CT abdomen. Axial slice 210/345. 512x512 px
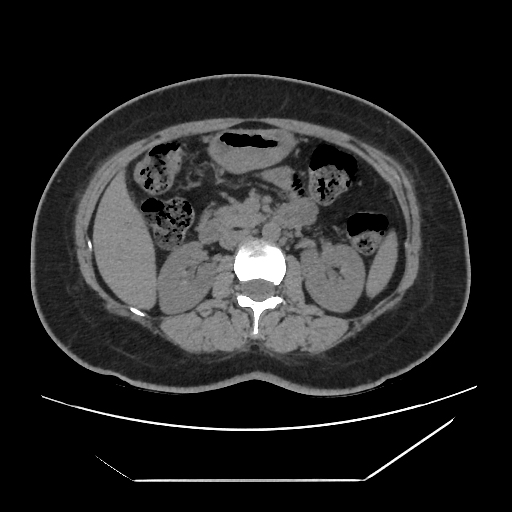 Each box given as x1,y1,x2,y2. Labeled organs on this slice: spleen at x1=365, y1=228, x2=398, y2=298, right kidney at x1=157, y1=242, x2=216, y2=313, left kidney at x1=300, y1=245, x2=364, y2=312, liver at x1=93, y1=168, x2=157, y2=310, stomach at x1=207, y1=129, x2=296, y2=174, aorta at x1=262, y1=223, x2=279, y2=241, inferior vena cava at x1=219, y1=230, x2=248, y2=248, pancreas at x1=209, y1=201, x2=263, y2=229, duodenum at x1=198, y1=204, x2=303, y2=243.